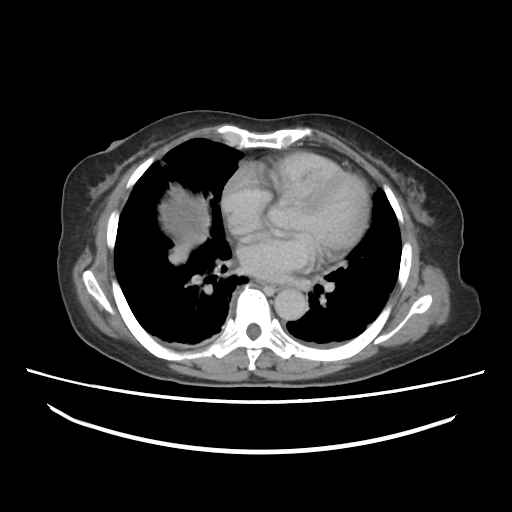
Computed tomography, abdomen — axial view — abdomen soft-tissue window — 512x512 px
<organs><organ name="esophagus" x1="260" y1="280" x2="279" y2="289"/><organ name="aorta" x1="272" y1="288" x2="307" y2="320"/><organ name="liver" x1="157" y1="183" x2="210" y2="264"/></organs>